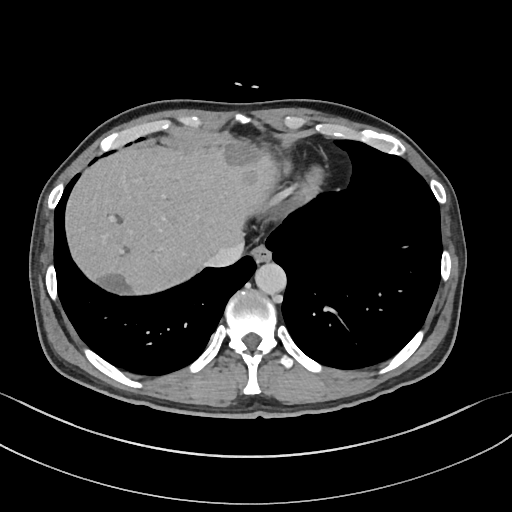 Abdominal CT · axial view · 512x512 px
{"organs":{"esophagus":[251,243,271,262],"liver":[64,139,278,296],"inferior vena cava":[206,241,243,267],"aorta":[254,262,285,294]}}